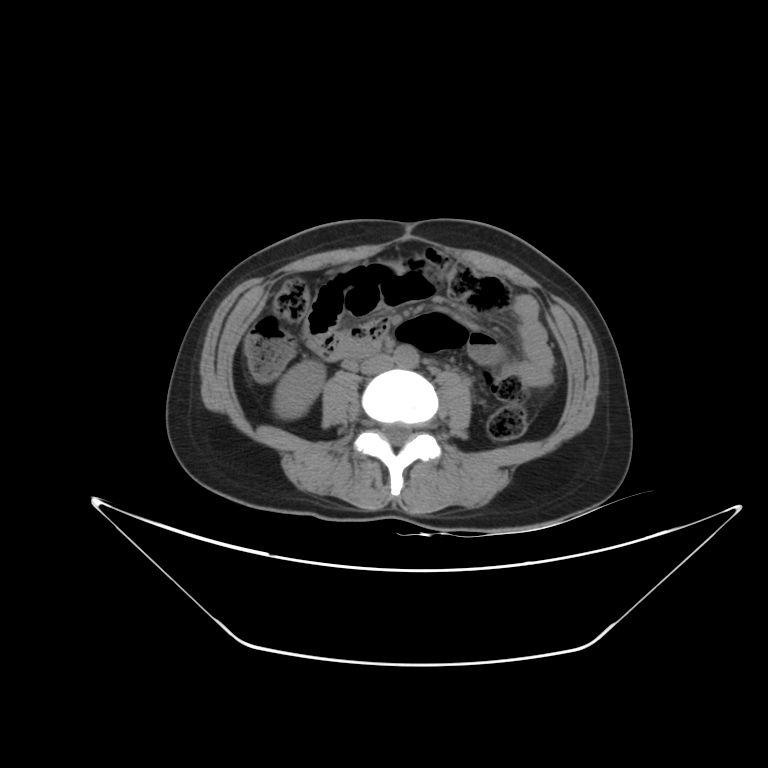 CT, abdomen/pelvis. Axial slice 50/83. abdomen soft-tissue window. 38-year-old female patient
Coordinates as <box>x1,y1,x2,y2</box> in pixels.
right kidney: <box>272,360,325,418</box>
inferior vena cava: <box>360,354,392,374</box>
aorta: <box>393,346,419,368</box>